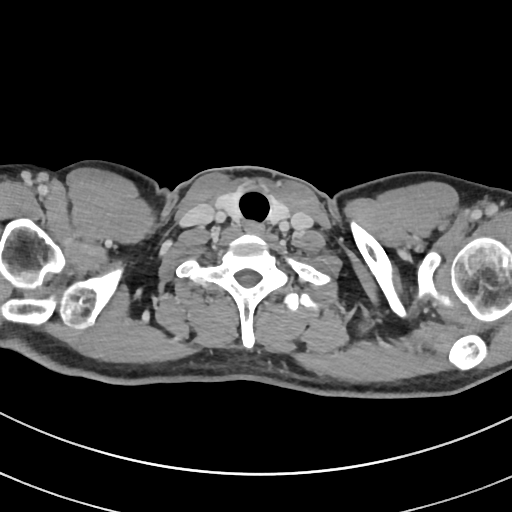

Abdominal CT reaching into the chest; this slice is in the chest; Axial slice 294/298
At this level of the chest this dataset labels only the esophagus and the aorta, and each is boxed only where it is labeled; the heart and lungs are never labeled.
Boxes: x1 y1 x2 y2 (pixel coords, space-separated).
esophagus: 246 221 264 236